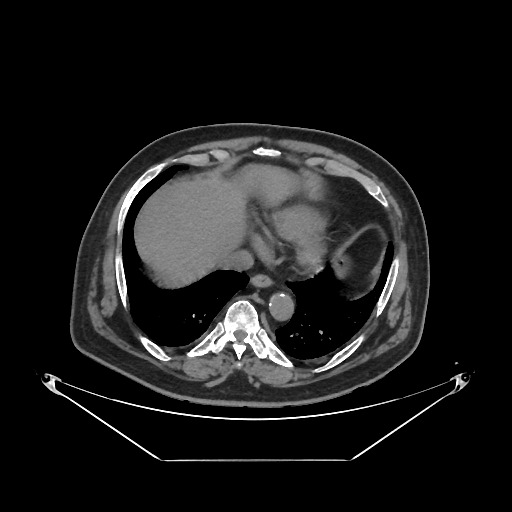

Computed tomography, abdomen — axial view — abdomen soft-tissue window — 15 organs annotated in this scan (counted over the whole 3D scan, not this slice; an organ is boxed only where this slice passes through it)
Bounding boxes as [x1, y1, x2, y2] in pixel coordinates.
Organ bounding boxes:
- liver: [133, 163, 298, 286]
- inferior vena cava: [222, 249, 253, 270]
- esophagus: [250, 273, 272, 287]
- aorta: [268, 292, 293, 320]